Computed tomography, abdomen — axial view — soft-tissue window — 768x768 px — 64-year-old male patient
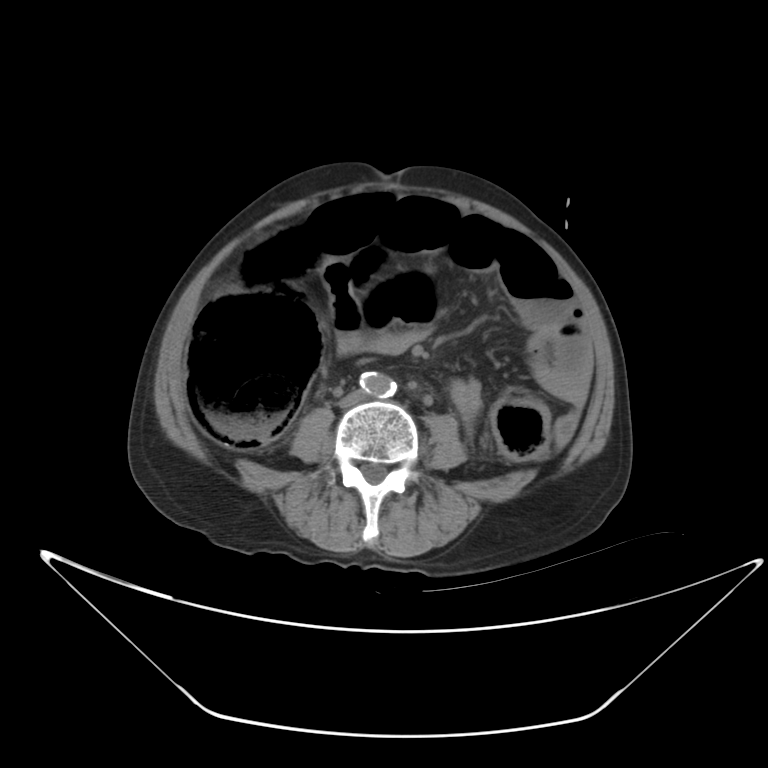 <organs><organ name="inferior vena cava" x1="338" y1="390" x2="367" y2="407"/><organ name="aorta" x1="360" y1="372" x2="396" y2="398"/></organs>